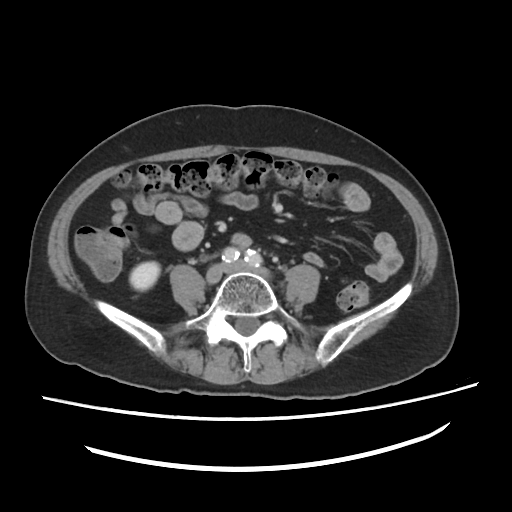 CT abdomen. axial view. acquired on Aquilion ONE
{"organs":{"right kidney":[130,261,160,291]}}